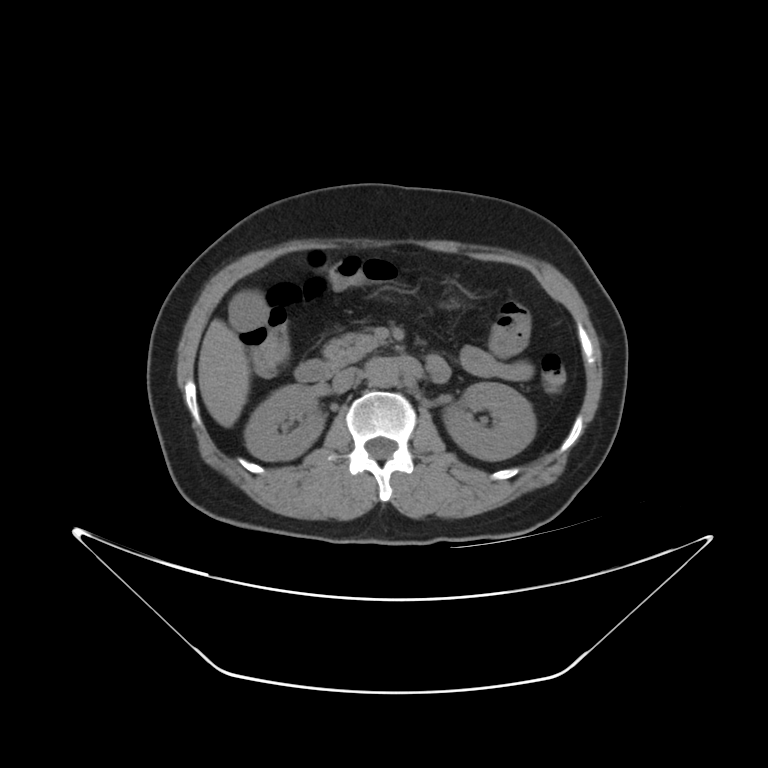

CT abdomen · axial view · 56-year-old female patient · 15 organs annotated in this scan (a whole-scan count: organs this slice does not pass through have no box)
{"organs":{"right kidney":[245,382,324,460],"left kidney":[442,383,536,458],"gall bladder":[226,291,266,332],"liver":[197,319,249,427],"aorta":[365,355,402,385],"inferior vena cava":[331,369,356,391],"pancreas":[322,333,380,360],"duodenum":[294,356,450,382]}}